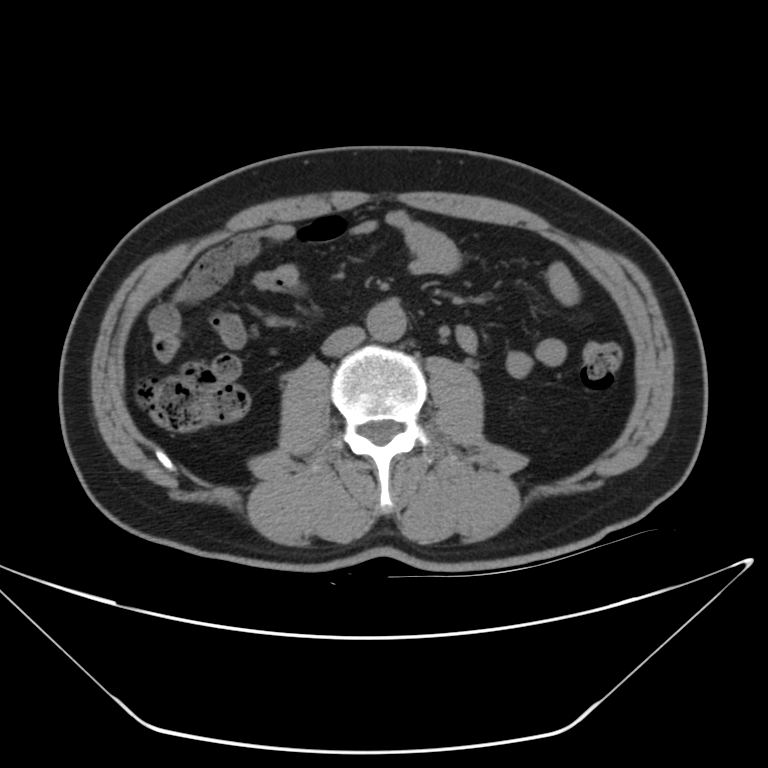

CT abdomen; axial plane, index 61; abdomen soft-tissue window
Bounding boxes as [x1, y1, x2, y2] in pixel coordinates.
aorta: [366, 297, 408, 341]
inferior vena cava: [324, 326, 365, 355]